CT abdomen; axial view; abdomen soft-tissue window
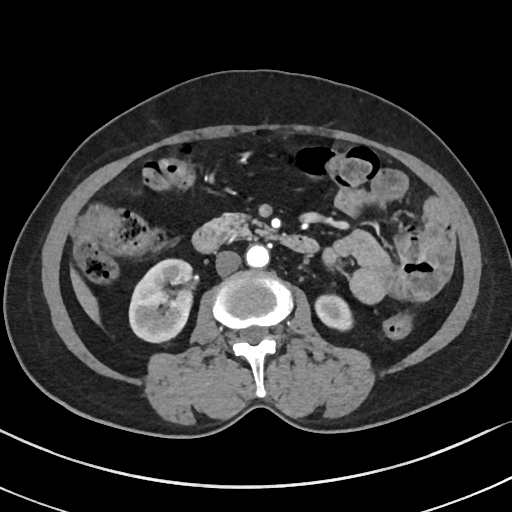

<organs><organ name="right kidney" x1="129" y1="259" x2="192" y2="342"/><organ name="left kidney" x1="315" y1="295" x2="353" y2="330"/><organ name="liver" x1="70" y1="270" x2="99" y2="323"/><organ name="aorta" x1="245" y1="245" x2="269" y2="267"/><organ name="inferior vena cava" x1="216" y1="250" x2="241" y2="275"/><organ name="pancreas" x1="208" y1="213" x2="275" y2="239"/><organ name="duodenum" x1="192" y1="224" x2="318" y2="254"/></organs>